CT, abdomen/pelvis · axial view · 16-year-old male patient · 15 organs annotated in this scan (counted over the whole 3D scan, not this slice; an organ is boxed only where this slice passes through it)
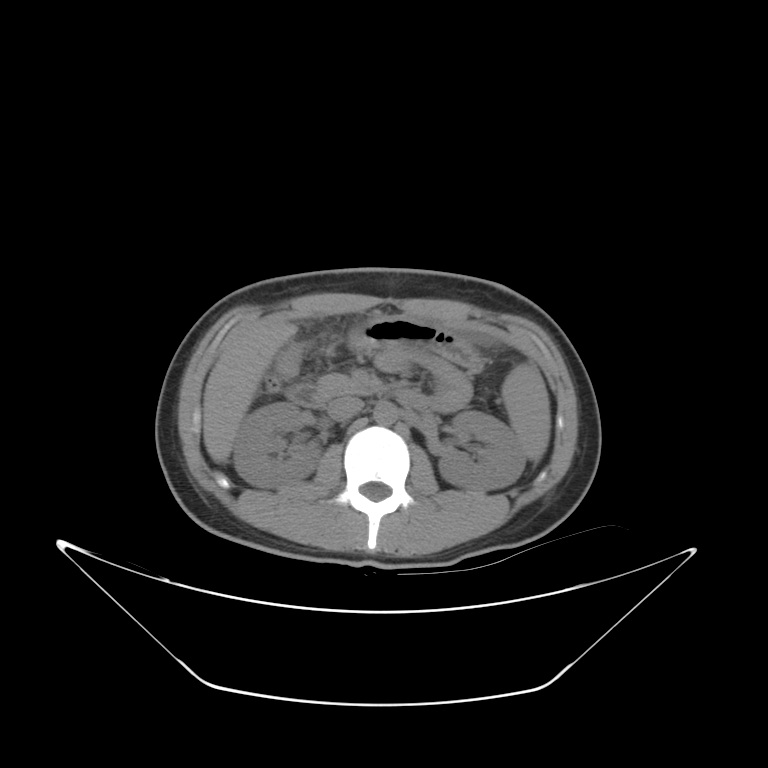
Each box given as x1,y1,x2,y2. 9 labeled organs on this slice — spleen at x1=502, y1=365, x2=551, y2=459; right kidney at x1=233, y1=404, x2=320, y2=485; left kidney at x1=436, y1=410, x2=525, y2=490; liver at x1=200, y1=317, x2=399, y2=461; stomach at x1=348, y1=319, x2=482, y2=370; aorta at x1=373, y1=403, x2=396, y2=424; inferior vena cava at x1=325, y1=398, x2=362, y2=419; pancreas at x1=315, y1=372, x2=377, y2=400; duodenum at x1=283, y1=384, x2=321, y2=408.